Abdominal CT · axial view · soft-tissue window
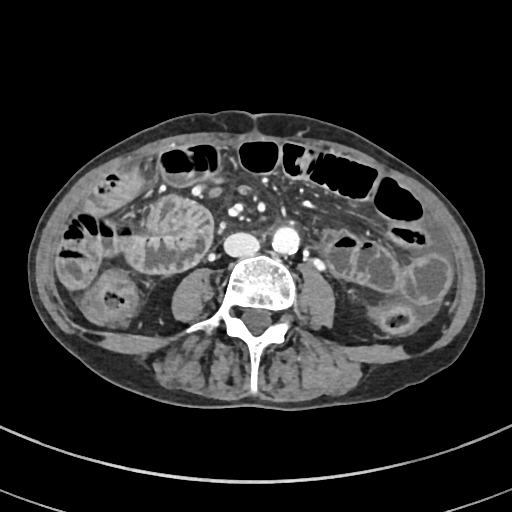
One row per box, in pixels: columns x1 and y1 give the top-left corner, x2 and y2 the bottom-right.
| organ | x1 | y1 | x2 | y2 |
|---|---|---|---|---|
| aorta | 272 | 226 | 299 | 254 |
| inferior vena cava | 223 | 232 | 259 | 256 |